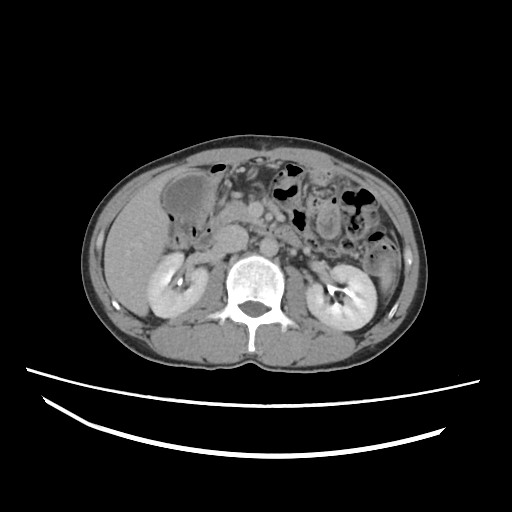
CT abdomen — axial plane, index 69 — 40-year-old male patient
Box edges are left/top/right/bottom in pixels.
Organ bounding boxes:
- spleen: left=376, top=258, right=395, bottom=293
- right kidney: left=149, top=252, right=208, bottom=318
- left kidney: left=306, top=265, right=376, bottom=331
- gall bladder: left=162, top=172, right=208, bottom=212
- liver: left=103, top=167, right=200, bottom=316
- aorta: left=258, top=236, right=279, bottom=256
- inferior vena cava: left=214, top=225, right=248, bottom=253
- pancreas: left=214, top=200, right=256, bottom=224
- duodenum: left=193, top=221, right=303, bottom=251